CT abdomen. Axial slice 193/234. scan has 15 labeled organs (that count is for the whole scan; organs this slice misses have no box)
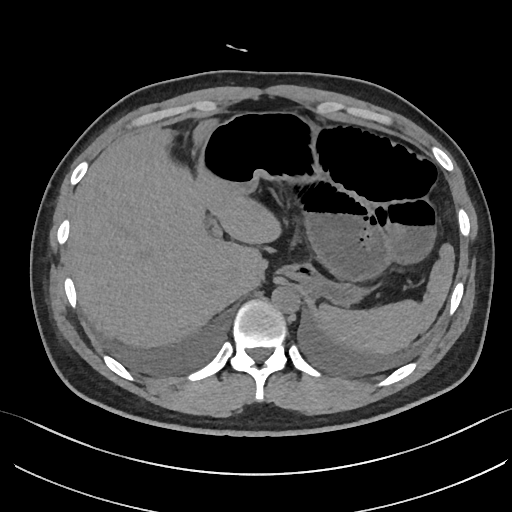

{"organs":{"spleen":[317,243,454,354],"liver":[68,119,281,348],"stomach":[197,113,375,304],"aorta":[272,286,300,312],"inferior vena cava":[224,269,242,294]}}